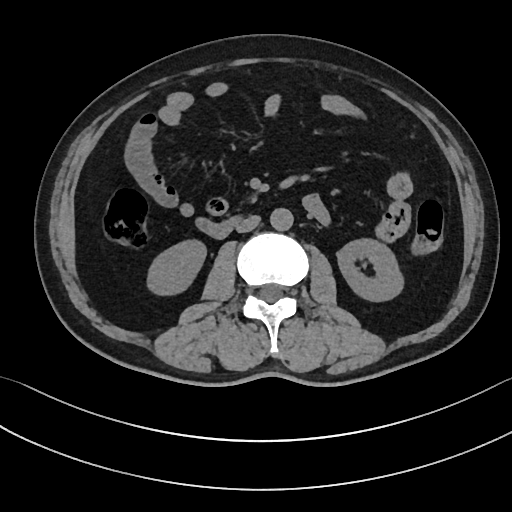
CT abdomen · axial view · soft-tissue window (W 400 / L 40) · 512x512 px · SOMATOM Force scanner
<organs><organ name="right kidney" x1="149" y1="241" x2="205" y2="293"/><organ name="left kidney" x1="337" y1="239" x2="402" y2="300"/><organ name="aorta" x1="270" y1="208" x2="293" y2="230"/><organ name="inferior vena cava" x1="235" y1="215" x2="260" y2="232"/><organ name="duodenum" x1="198" y1="217" x2="238" y2="237"/></organs>